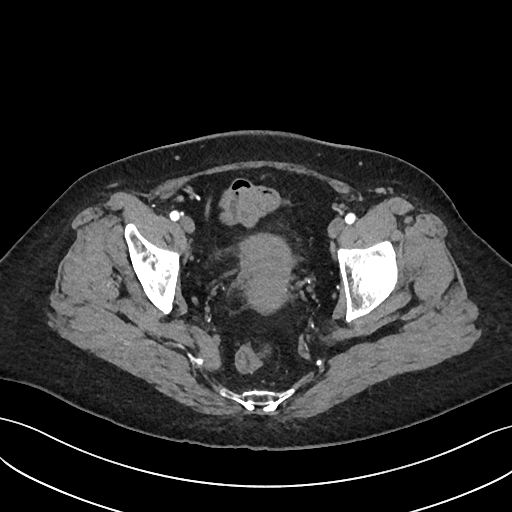 Abdominal CT · axial view · soft-tissue window (W 400 / L 40)
<organs><organ name="prostate/uterus" x1="240" y1="234" x2="293" y2="311"/></organs>